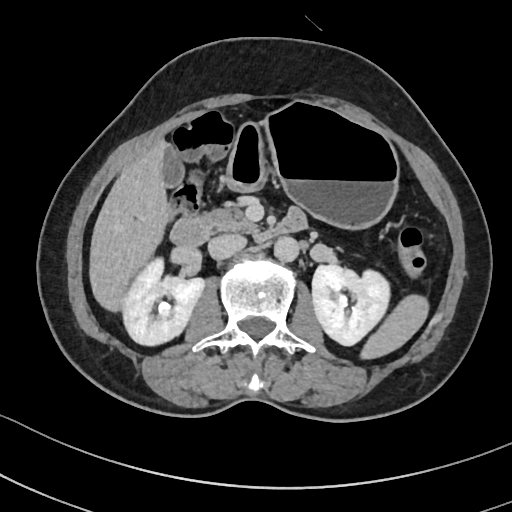

Abdominal CT. axial view
One row per box, in pixels: columns x1 and y1 give the top-left corner, x2 and y2 the bottom-right.
| organ | x1 | y1 | x2 | y2 |
|---|---|---|---|---|
| spleen | 360 | 294 | 428 | 359 |
| duodenum | 170 | 209 | 307 | 246 |
| gall bladder | 162 | 146 | 183 | 186 |
| stomach | 228 | 99 | 398 | 227 |
| left kidney | 312 | 265 | 389 | 345 |
| inferior vena cava | 208 | 234 | 246 | 259 |
| pancreas | 203 | 204 | 255 | 231 |
| liver | 89 | 141 | 171 | 311 |
| aorta | 273 | 236 | 299 | 261 |
| right kidney | 121 | 257 | 203 | 345 |